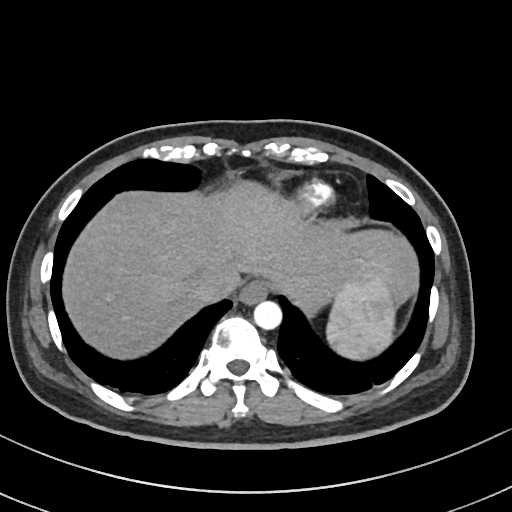

Abdominal CT; axial view; 512x512 px
Bounding boxes in pixels, one row per box: x1, y1 is the top-left corner and x2, y2 the bottom-right.
| organ | x1 | y1 | x2 | y2 |
|---|---|---|---|---|
| inferior vena cava | 189 | 277 | 228 | 305 |
| esophagus | 240 | 279 | 268 | 303 |
| spleen | 327 | 273 | 395 | 358 |
| aorta | 253 | 300 | 281 | 329 |
| liver | 60 | 180 | 420 | 358 |